CT of the abdomen extending into the chest, slice through the chest — Axial slice 128/132
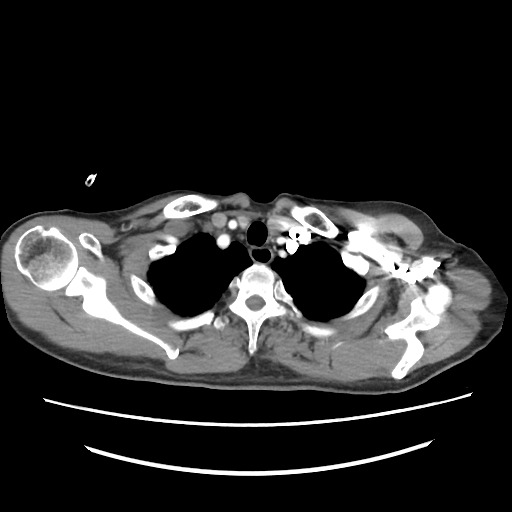 At this level of the chest this dataset labels only the esophagus and the aorta, and each is boxed only where it is labeled; the heart and lungs are never labeled. Boxes are (x1, y1, x2, y2) in pixels. The annotated organs in this slice are: esophagus at (248, 247, 273, 262).